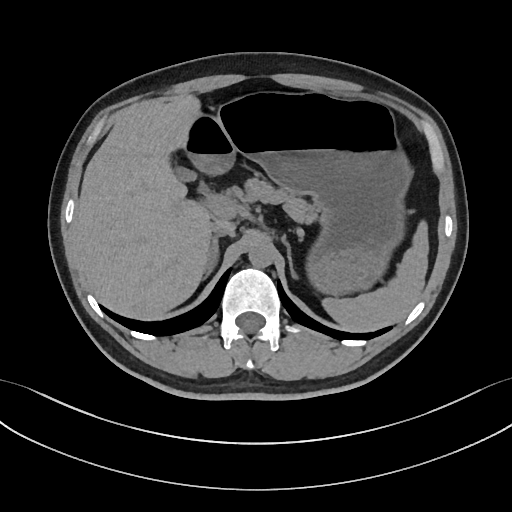

CT, abdomen/pelvis · axial view · acquired on SOMATOM Force
{"organs":{"spleen":[322,220,428,332],"gall bladder":[173,166,195,181],"liver":[73,95,211,319],"stomach":[184,93,412,294],"aorta":[248,242,273,267],"inferior vena cava":[210,220,235,237],"pancreas":[244,177,317,222],"right adrenal gland":[204,237,219,278],"left adrenal gland":[282,235,296,277]}}